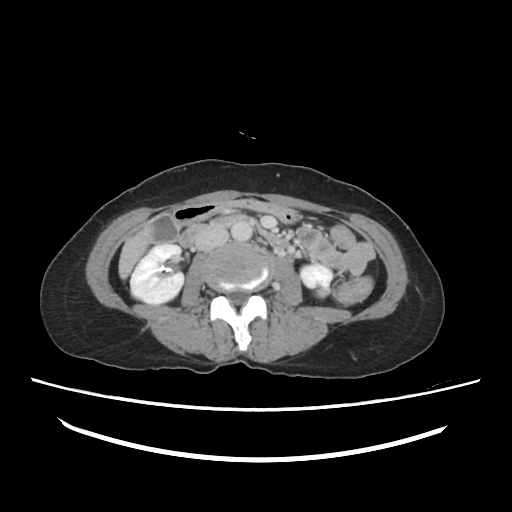 CT, abdomen/pelvis · axial view · 54-year-old female patient · acquired on Aquilion ONE
Bounding boxes as [x1, y1, x2, y2] in pixel coordinates.
right kidney: [130, 244, 183, 304]
left kidney: [301, 263, 332, 295]
gall bladder: [146, 213, 179, 242]
liver: [118, 228, 152, 279]
stomach: [172, 198, 300, 225]
aorta: [231, 220, 252, 241]
inferior vena cava: [193, 229, 227, 251]
duodenum: [180, 214, 288, 247]